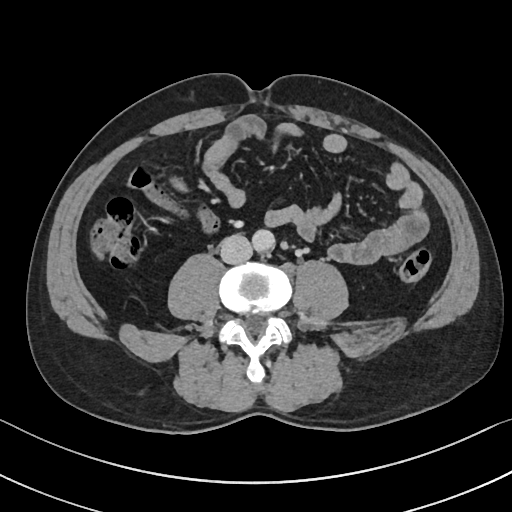
Abdominal CT — axial view — 512x512 px
<organs><organ name="inferior vena cava" x1="220" y1="234" x2="252" y2="264"/><organ name="aorta" x1="252" y1="229" x2="274" y2="252"/></organs>